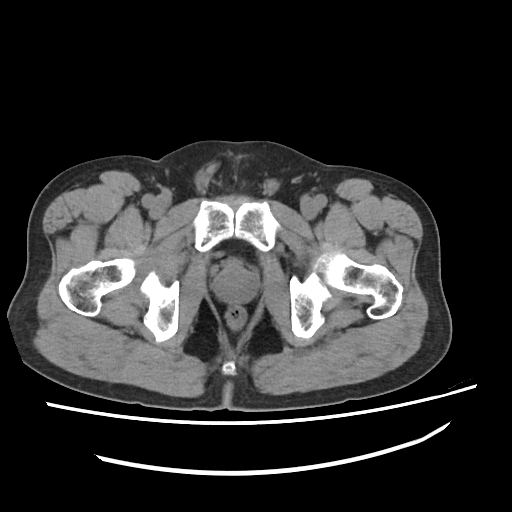 CT abdomen. axial view
{"organs":{"prostate/uterus":[214,264,256,303]}}